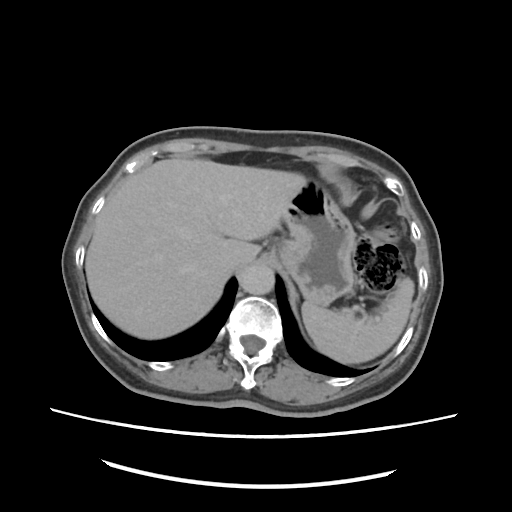 Computed tomography, abdomen; axial plane, index 76
Boxes: x1 y1 x2 y2 (pixel coords, space-separated).
Organ bounding boxes:
- aorta: 239 267 273 295
- inferior vena cava: 229 257 250 273
- liver: 86 158 302 339
- stomach: 277 173 357 306
- spleen: 303 277 413 364